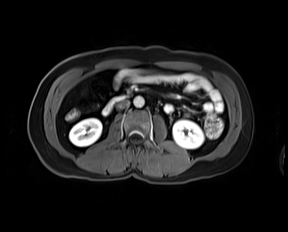

MRI, abdomen; axial view; 288x232 px; scan has 13 labeled organs (counted over the whole 3D scan, not this slice; an organ is boxed only where this slice passes through it)
Boxes: x1 y1 x2 y2 (pixel coords, space-separated).
right kidney: 69 118 101 146
left kidney: 172 120 204 148
duodenum: 103 97 122 115
inferior vena cava: 116 100 129 109
aorta: 133 96 144 107